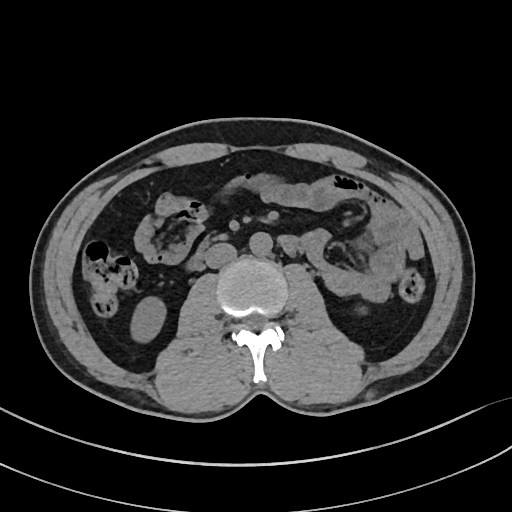

CT abdomen · axial view · W/L 400/40 HU · 512x512 px · acquired on SOMATOM Force
Boxes: x1 y1 x2 y2 (pixel coords, space-separated).
Organ bounding boxes:
- right kidney: 130 295 167 342
- aorta: 249 233 272 256
- inferior vena cava: 204 243 237 269
- duodenum: 182 236 295 273